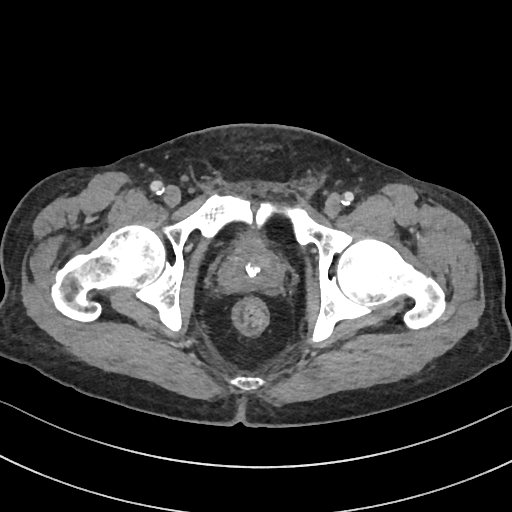

CT, abdomen/pelvis · axial view · W/L 400/40 HU · 14 organs annotated in this scan (counted over the whole 3D scan, not this slice; an organ is boxed only where this slice passes through it)
Boxes: x1:y1:x2:y2 in pixels.
Organ bounding boxes:
- prostate/uterus: 219:243:285:292
- bladder: 241:228:261:243